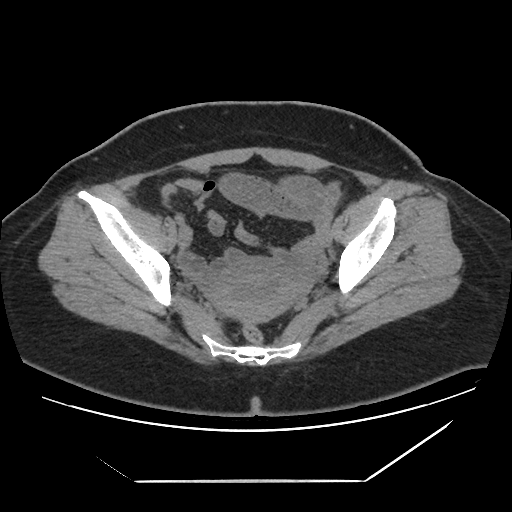
CT abdomen — axial view — 512x512 px
Boxes: x1:y1:x2:y2 in pixels.
Organ bounding boxes:
- prostate/uterus: 212:259:305:321